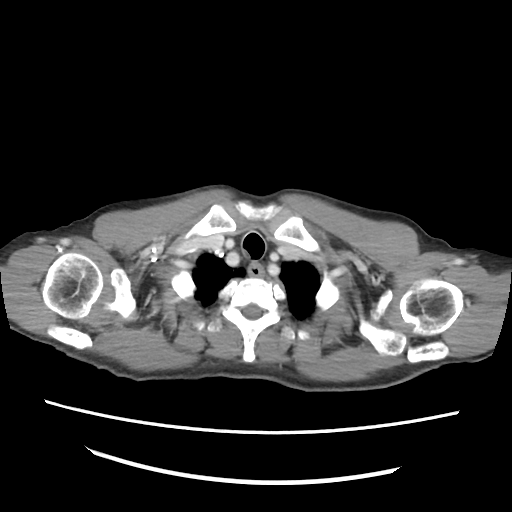 Chest-level CT slice, above the liver and spleen — axial view — soft-tissue window
At this level of the chest no structure but the esophagus and the aorta has a label in this dataset, and those two are boxed only where they are labeled.
Boxes: x1 y1 x2 y2 (pixel coords, space-separated).
esophagus: 248 263 262 277